CT abdomen · axial view
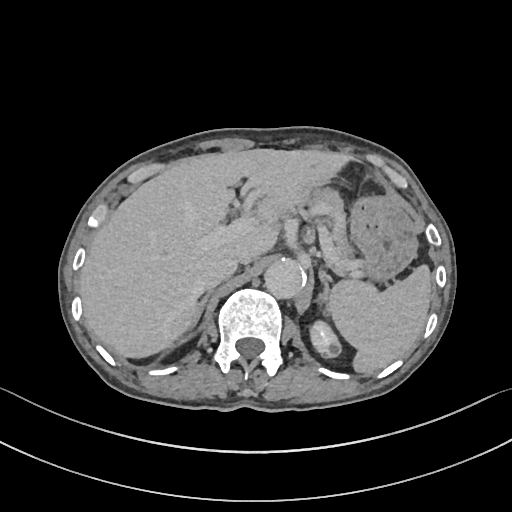

Boxes are (x1, y1, x2, y2) in pixels.
Organ bounding boxes:
- spleen: (330, 263, 432, 373)
- left kidney: (309, 319, 342, 358)
- liver: (79, 148, 347, 357)
- stomach: (349, 193, 417, 279)
- aorta: (264, 257, 305, 298)
- inferior vena cava: (200, 254, 239, 289)
- pancreas: (305, 186, 354, 261)
- right adrenal gland: (191, 290, 212, 325)
- left adrenal gland: (316, 271, 329, 318)